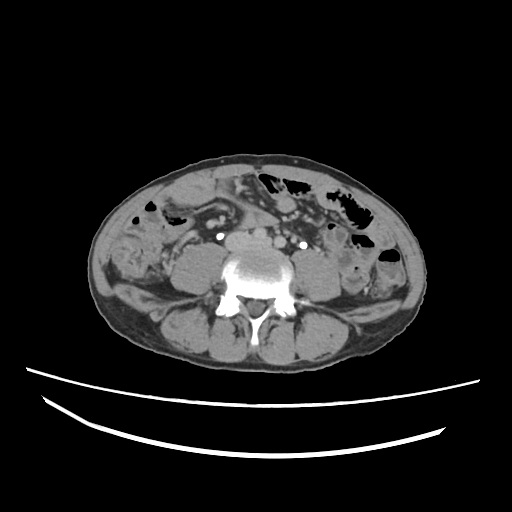
CT, abdomen/pelvis. Axial slice 52/101. soft-tissue window (W 400 / L 40). 512x512 px
Bounding boxes as [x1, y1, x2, y2] in pixel coordinates.
inferior vena cava: [226, 233, 254, 250]